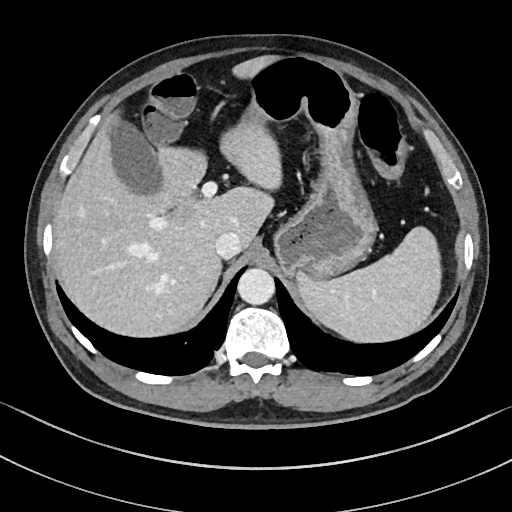 CT abdomen; axial plane, index 180; soft-tissue window (W 400 / L 40)
One row per box, in pixels: columns x1 and y1 give the top-left corner, x2 and y2 the bottom-right.
| organ | x1 | y1 | x2 | y2 |
|---|---|---|---|---|
| spleen | 297 | 227 | 441 | 342 |
| gall bladder | 109 | 119 | 161 | 194 |
| liver | 53 | 56 | 281 | 336 |
| stomach | 240 | 57 | 377 | 279 |
| aorta | 237 | 268 | 274 | 305 |
| inferior vena cava | 215 | 232 | 241 | 259 |